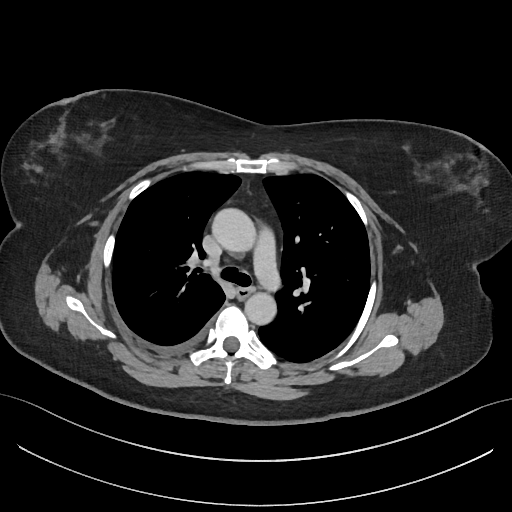
CT of the abdomen extending into the chest, slice through the chest. axial view. 512x512 px
At this level of the chest no structure but the esophagus and the aorta has a label in this dataset, and those two are boxed only where they are labeled.
Box edges are left/top/right/bottom in pixels.
esophagus: left=237, top=287, right=253, bottom=298
aorta: left=212, top=208, right=256, bottom=252
aorta: left=244, top=292, right=276, bottom=325